CT, abdomen/pelvis; axial view; abdomen soft-tissue window; scan has 15 labeled organs (a whole-scan count: organs this slice does not pass through have no box)
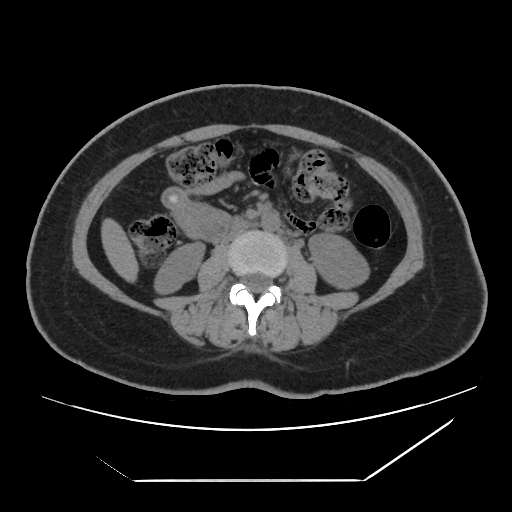

Box edges are left/top/right/bottom in pixels.
Organ bounding boxes:
- right kidney: left=154, top=242, right=204, bottom=294
- aorta: left=261, top=212, right=280, bottom=231
- liver: left=101, top=218, right=138, bottom=282
- left kidney: left=308, top=233, right=369, bottom=289
- inferior vena cava: left=223, top=223, right=249, bottom=242